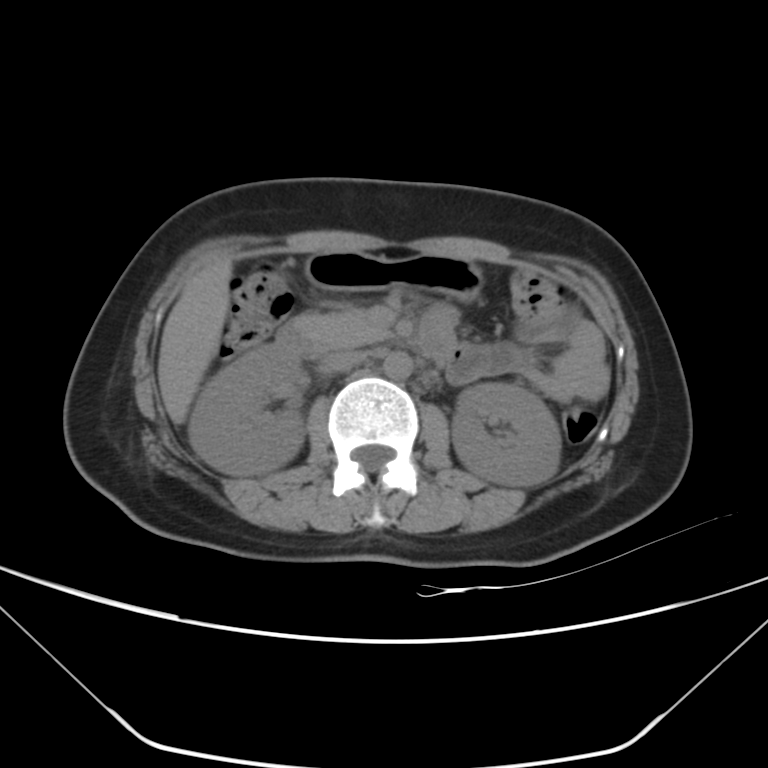
CT abdomen — axial view
{"organs":{"right kidney":[188,345,303,474],"left kidney":[452,382,561,486],"liver":[157,255,231,424],"stomach":[304,250,483,300],"aorta":[382,352,412,380],"inferior vena cava":[321,350,366,371],"pancreas":[293,308,390,349],"duodenum":[276,323,457,364]}}